Computed tomography, abdomen. axial view. scan has 15 labeled organs (a whole-scan count: organs this slice does not pass through have no box)
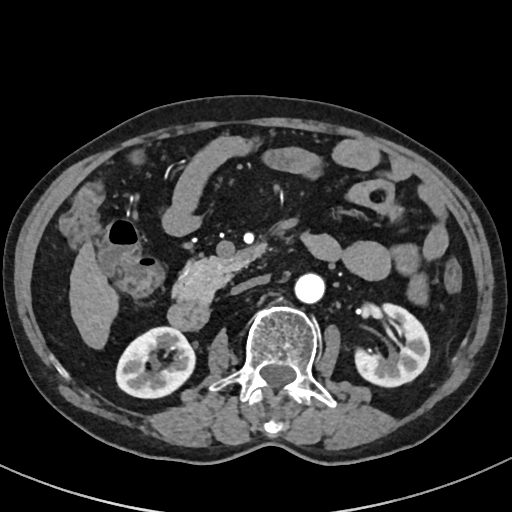

Coordinates as <box>x1,y1,x2,y2</box> in pixels. 7 labeled organs on this slice — right kidney at <box>116,327,195,398</box>; left kidney at <box>355,304,430,387</box>; liver at <box>69,242,118,349</box>; aorta at <box>294,273,325,303</box>; inferior vena cava at <box>231,276,267,294</box>; pancreas at <box>173,257,255,298</box>; duodenum at <box>167,297,210,330</box>.